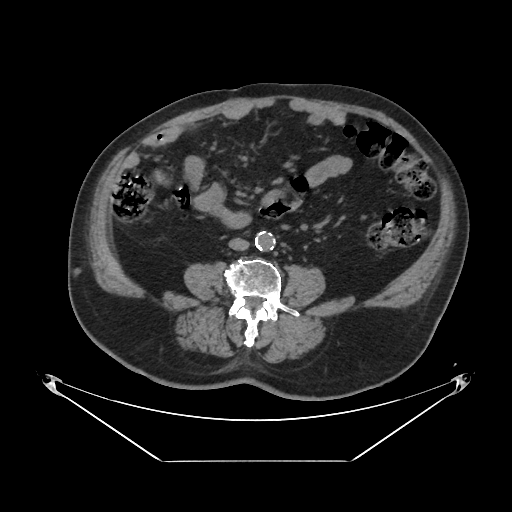

CT, abdomen/pelvis; axial view; soft-tissue window; SOMATOM Force scanner
Boxes: x1:y1:x2:y2 in pixels.
aorta: 255:232:275:251
inferior vena cava: 229:238:249:250